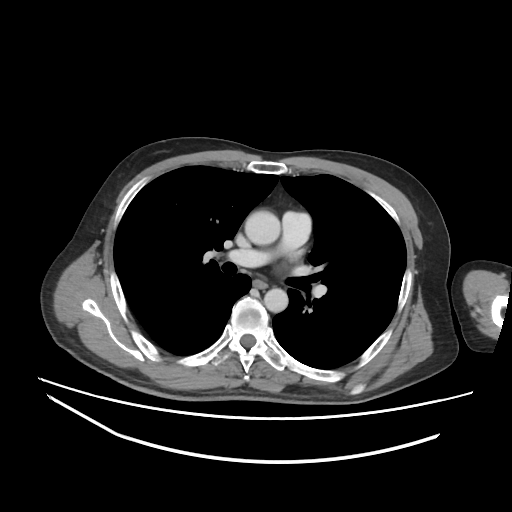

Chest-level CT slice, above the liver and spleen. axial view. soft-tissue window (W 400 / L 40)
At this level of the chest this dataset labels only the esophagus and the aorta, and each is boxed only where it is labeled; the heart and lungs are never labeled.
Boxes are (x1, y1, x2, y2) in pixels.
esophagus: (253, 280, 269, 288)
aorta: (245, 210, 280, 245)
aorta: (264, 288, 288, 312)